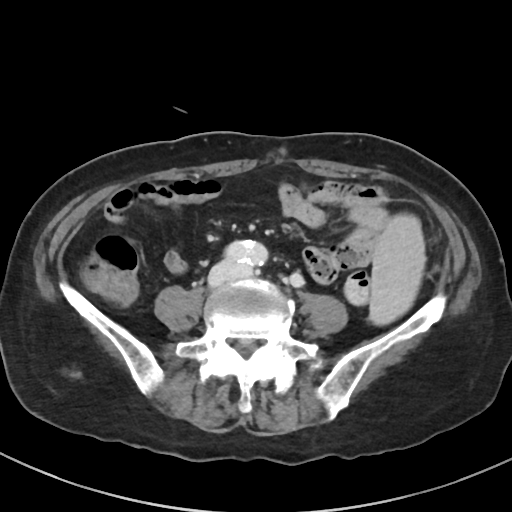
Abdominal CT; Axial slice 36/78
One row per box, in pixels: columns x1 and y1 give the top-left corner, x2 and y2 the bottom-right.
| organ | x1 | y1 | x2 | y2 |
|---|---|---|---|---|
| aorta | 226 | 240 | 267 | 266 |
| spleen | 371 | 214 | 425 | 324 |